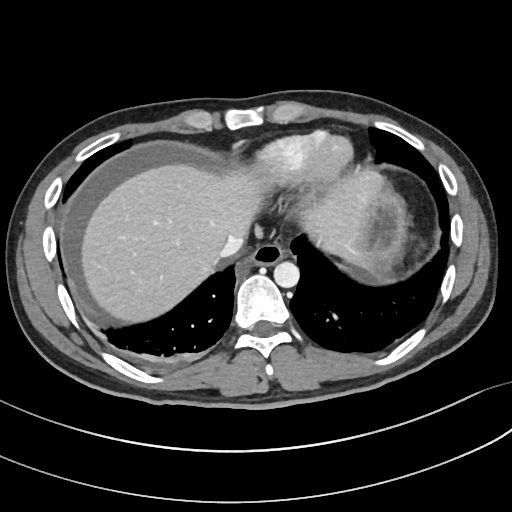

CT, abdomen/pelvis. axial plane, index 222. soft-tissue window (W 400 / L 40). 512x512 px
Boxes: x1 y1 x2 y2 (pixel coords, space-separated). 5 labeled organs on this slice — esophagus at 237 243 284 272; liver at 81 163 382 323; stomach at 351 180 409 271; aorta at 273 261 299 288; inferior vena cava at 221 236 243 257.